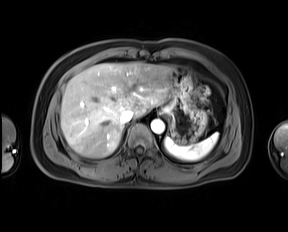 Magnetic resonance imaging, abdomen. axial plane, index 50. percentile-normalized. acquired on Prisma
{"organs":{"spleen":[163,132,218,160],"liver":[60,62,172,158],"stomach":[161,67,207,143],"aorta":[151,119,164,133],"inferior vena cava":[121,110,133,123]}}